Computed tomography, abdomen. axial view. Brilliance16 scanner
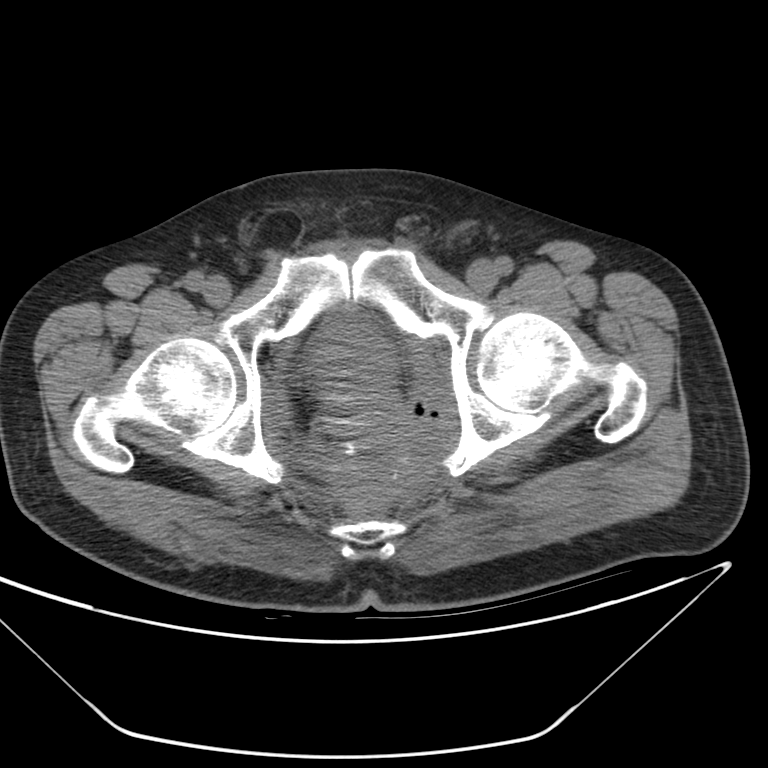
<organs><organ name="bladder" x1="317" y1="334" x2="394" y2="391"/><organ name="prostate/uterus" x1="326" y1="395" x2="382" y2="434"/></organs>